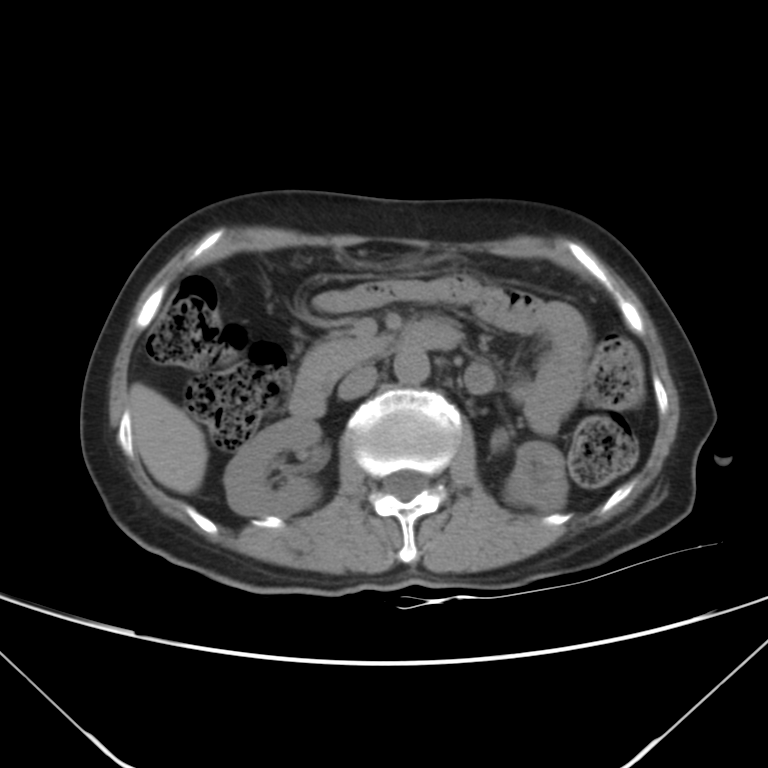 CT abdomen — axial view — 768x768 px
{"organs":{"right kidney":[223,417,322,516],"pancreas":[298,334,392,381],"liver":[129,384,208,493],"left kidney":[504,442,568,510],"inferior vena cava":[339,367,376,399],"duodenum":[288,319,460,416],"aorta":[394,349,428,385]}}